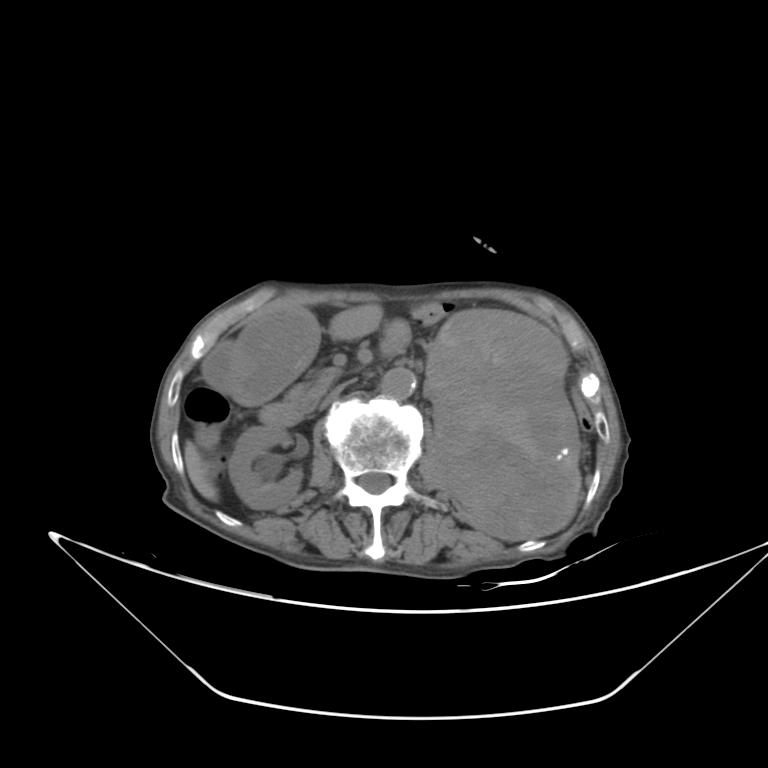

CT, abdomen/pelvis. axial view. soft-tissue window (W 400 / L 40). Brilliance16 scanner
Each box given as x1,y1,x2,y2. Labeled organs on this slice: pancreas at x1=283, y1=367, x2=336, y2=404, left kidney at x1=424, y1=307, x2=581, y2=541, inferior vena cava at x1=318, y1=376, x2=360, y2=410, duodenum at x1=199, y1=338, x2=307, y2=428, stomach at x1=234, y1=306, x2=316, y2=403, right kidney at x1=229, y1=427, x2=301, y2=510, aorta at x1=378, y1=368, x2=414, y2=399, liver at x1=185, y1=441, x2=218, y2=500.